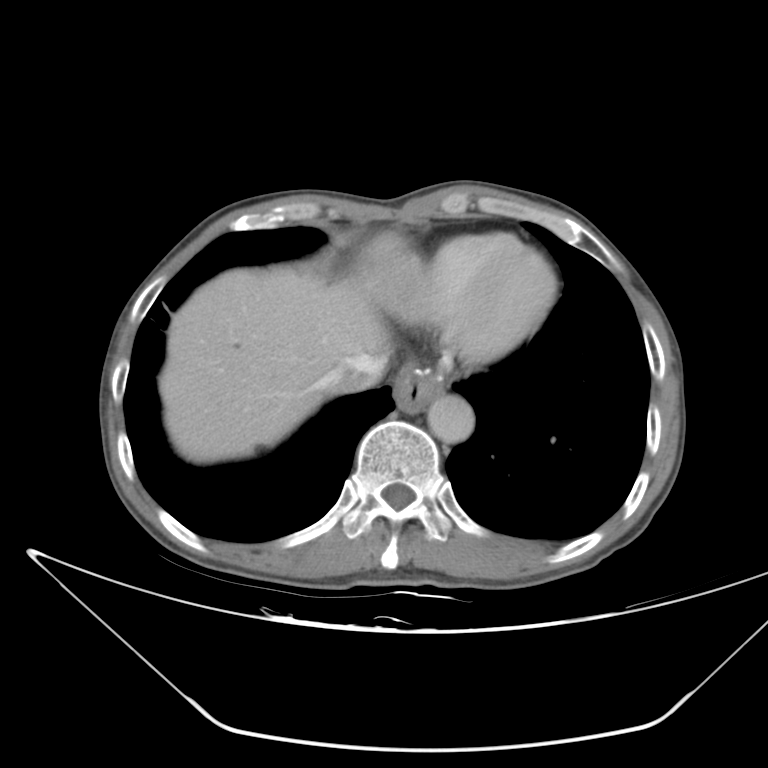 Computed tomography, abdomen; axial view; soft-tissue window (W 400 / L 40); acquired on Brilliance16
Boxes are (x1, y1, x2, y2) in pixels. Labeled organs on this slice: stomach at (393, 364, 444, 413), aorta at (427, 394, 474, 443), inferior vena cava at (321, 352, 388, 393), liver at (159, 254, 387, 464).